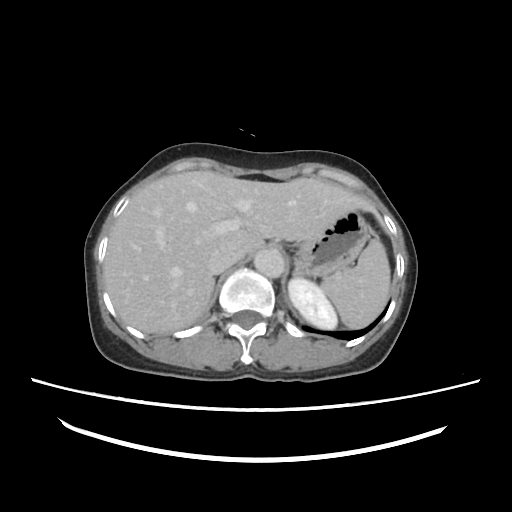
CT, abdomen/pelvis. axial view. W/L 400/40 HU
<organs><organ name="aorta" x1="254" y1="249" x2="284" y2="277"/><organ name="stomach" x1="293" y1="210" x2="369" y2="277"/><organ name="liver" x1="103" y1="171" x2="390" y2="333"/><organ name="spleen" x1="320" y1="236" x2="390" y2="327"/><organ name="left kidney" x1="288" y1="277" x2="336" y2="328"/><organ name="inferior vena cava" x1="209" y1="243" x2="244" y2="274"/><organ name="left adrenal gland" x1="292" y1="267" x2="302" y2="276"/></organs>